CT, abdomen/pelvis — Axial slice 134/163 — abdomen soft-tissue window — 512x512 px — 15 organs annotated in this scan (a whole-scan count: organs this slice does not pass through have no box)
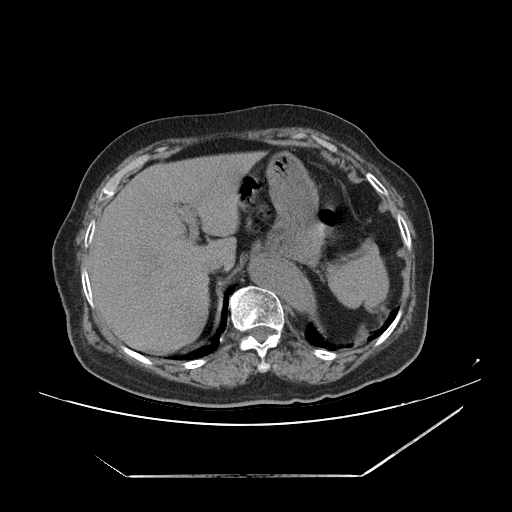 Each box given as x1,y1,x2,y2. Labeled organs on this slice: liver at x1=89, y1=151, x2=269, y2=355, stomach at x1=259, y1=153, x2=326, y2=265, inferior vena cava at x1=201, y1=255, x2=232, y2=273, aorta at x1=252, y1=260, x2=318, y2=316, spleen at x1=326, y1=243, x2=387, y2=309.